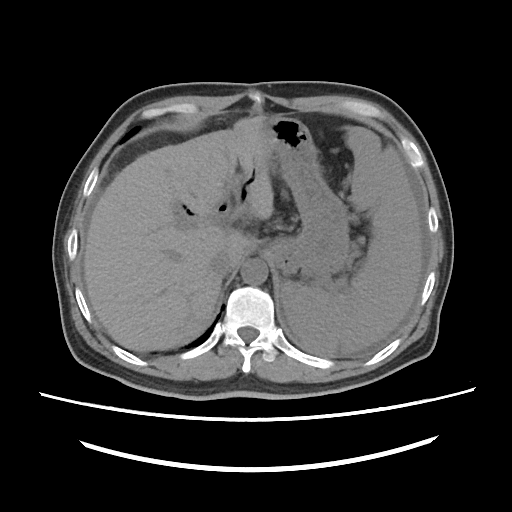

CT abdomen; Axial slice 76/87; Aquilion ONE scanner
Boxes are (x1, y1, x2, y2) in pixels.
Organ bounding boxes:
- spleen: (280, 127, 421, 352)
- liver: (83, 117, 273, 351)
- stomach: (262, 116, 349, 279)
- aorta: (241, 258, 268, 284)
- inferior vena cava: (210, 249, 235, 277)